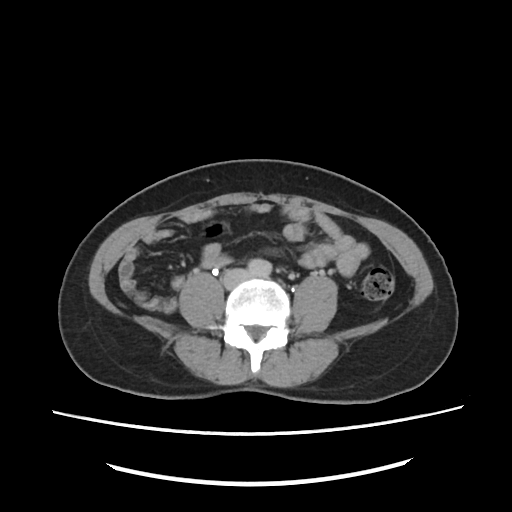 CT, abdomen/pelvis · axial view · scan has 15 labeled organs (that count is for the whole scan; organs this slice misses have no box)
Boxes are (x1, y1, x2, y2) in pixels. The annotated organs in this slice are: aorta at (248, 258, 270, 277), inferior vena cava at (224, 268, 252, 287).